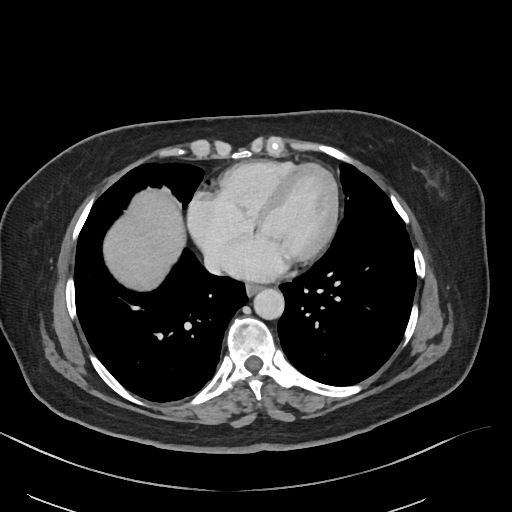

Abdominal CT; axial view; 512x512 px
Boxes: x1 y1 x2 y2 (pixel coords, space-separated). Labeled organs on this slice: esophagus at 245 284 261 296, liver at 103 189 186 291, aorta at 253 289 284 319, inferior vena cava at 205 256 216 269.